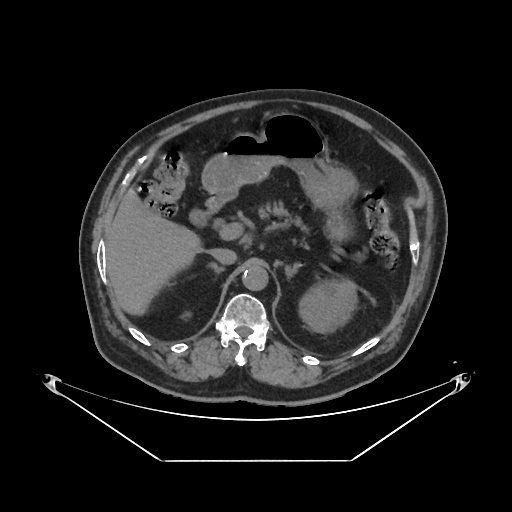 Abdominal CT; Axial slice 260/353; soft-tissue window; 512x512 px; scan has 15 labeled organs (counted over the whole 3D scan, not this slice; an organ is boxed only where this slice passes through it)
Boxes: x1:y1:x2:y2 in pixels. Labeled organs on this slice: left kidney at 298:279:358:333, liver at 106:189:201:312, stomach at 202:113:356:237, aorta at 242:265:268:290, inferior vena cava at 209:248:236:264, pancreas at 258:200:366:260, right adrenal gland at 210:262:223:272, left adrenal gland at 285:262:299:275, duodenum at 188:193:227:227.